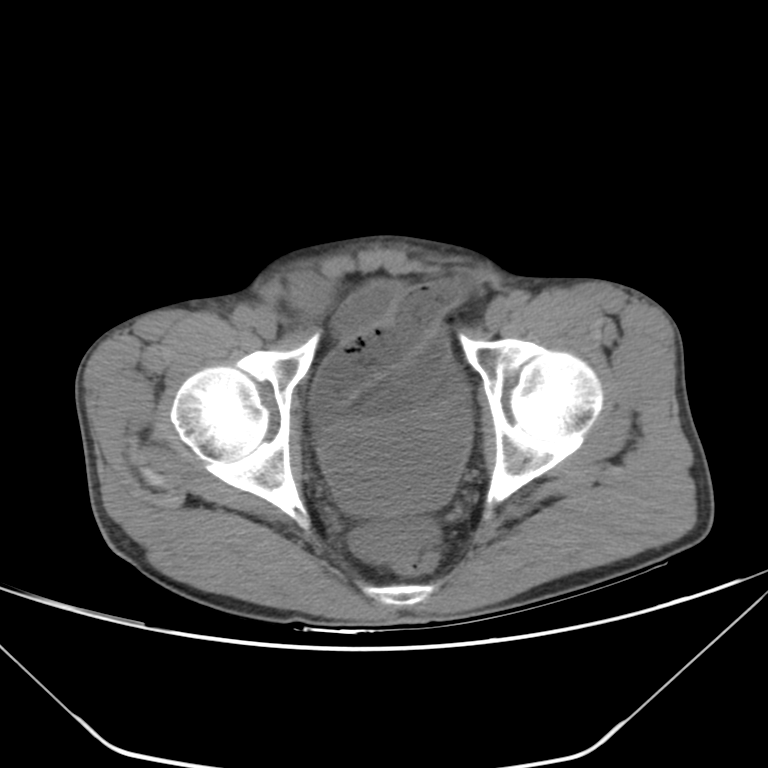

CT abdomen; axial view; acquired on Brilliance16
Boxes: x1 y1 x2 y2 (pixel coords, space-separated).
bladder: 317 394 472 512